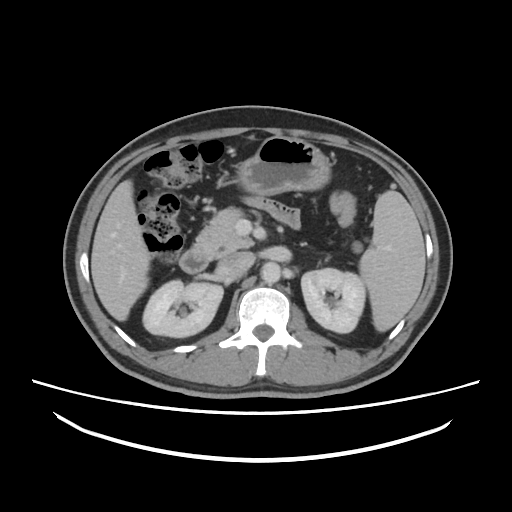 Computed tomography, abdomen — axial view — abdomen soft-tissue window — 512x512 px
{"organs":{"duodenum":[179,246,212,273],"left kidney":[301,268,365,333],"inferior vena cava":[218,251,254,276],"aorta":[261,262,281,283],"spleen":[359,191,425,331],"stomach":[238,136,330,195],"pancreas":[195,207,253,255],"liver":[91,180,150,321],"right kidney":[142,280,223,337]}}